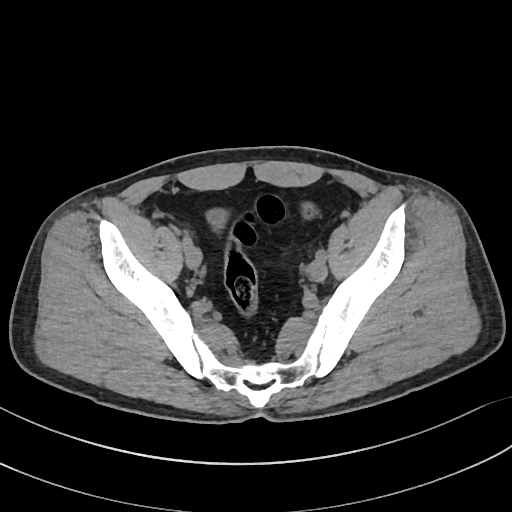 CT abdomen; axial view; soft-tissue window; 512x512 px; 15 organs annotated in this scan (that count is for the whole scan; organs this slice misses have no box)
Organ boxes in pixel coordinates; each row gives the top-left (x1, y1) and bottom-right (x2, y2) corners.
| organ | x1 | y1 | x2 | y2 |
|---|---|---|---|---|
| bladder | 207 | 208 | 225 | 228 |